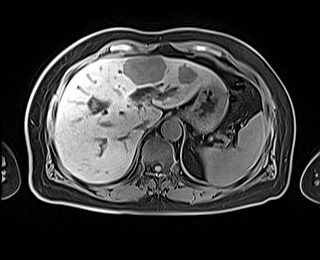

Abdominal MR; Axial slice 52/72; 1st–99th percentile window
Box edges are left/top/right/bottom in pixels.
spleen: left=199, top=112, right=266, bottom=186
liver: left=54, top=55, right=222, bottom=183
stomach: left=184, top=84, right=227, bottom=133
aorta: left=161, top=119, right=181, bottom=139
inferior vena cava: left=137, top=120, right=149, bottom=131